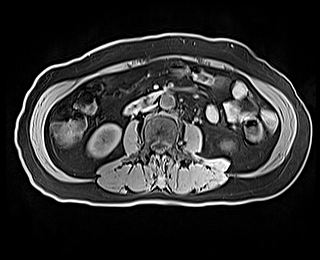 Magnetic resonance imaging, abdomen — axial view — percentile-normalized
One row per box, in pixels: columns x1 and y1 give the top-left corner, x2 and y2 the bottom-right.
| organ | x1 | y1 | x2 | y2 |
|---|---|---|---|---|
| right kidney | 87 | 124 | 121 | 157 |
| left kidney | 224 | 143 | 231 | 148 |
| aorta | 160 | 94 | 174 | 109 |
| inferior vena cava | 142 | 105 | 154 | 111 |
| duodenum | 124 | 90 | 163 | 116 |